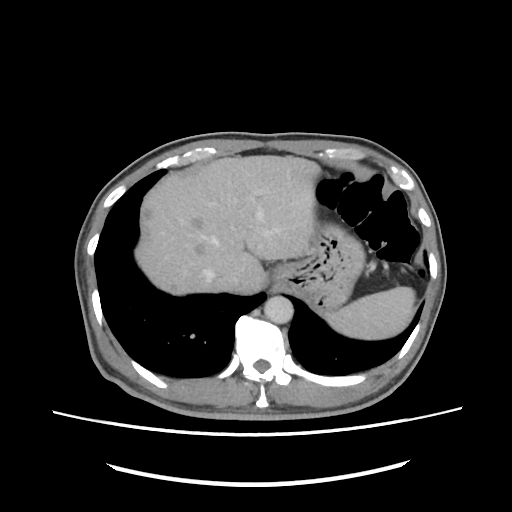 CT abdomen — axial view
{"organs":{"spleen":[327,286,415,339],"liver":[135,155,319,294],"stomach":[272,223,364,310],"aorta":[264,296,293,323],"inferior vena cava":[216,270,245,289]}}